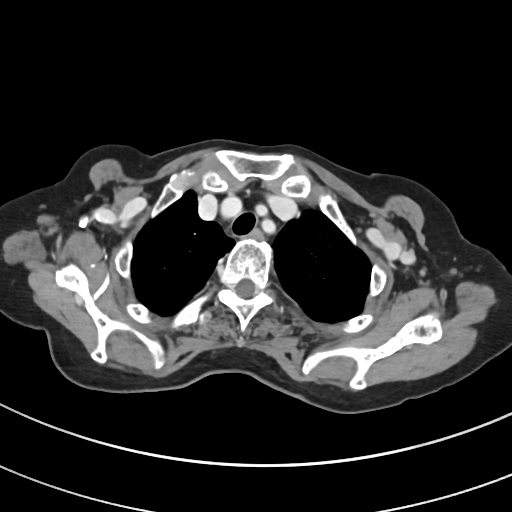
Abdominal CT reaching into the chest; this slice is in the chest. axial view
On a slice this high in the chest, this dataset labels only the esophagus and the aorta, and each is boxed only where it is labeled; the heart, lungs and other chest structures are not labeled.
<organs><organ name="esophagus" x1="248" y1="229" x2="262" y2="238"/></organs>